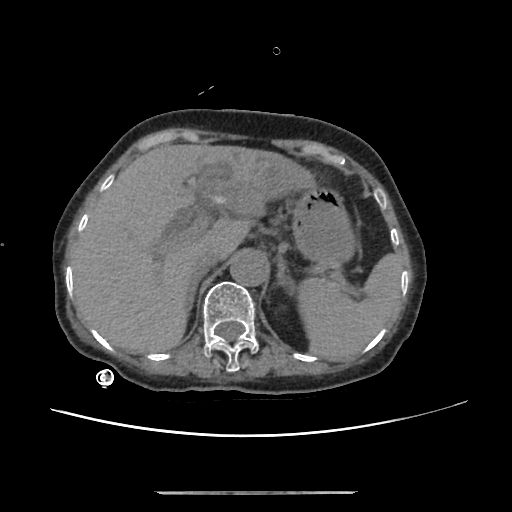
Computed tomography, abdomen. Axial slice 270/353. soft-tissue window. 14 organs annotated in this scan (counted over the whole 3D scan, not this slice; an organ is boxed only where this slice passes through it)
Bounding boxes in pixels, one row per box: x1, y1 is the top-left corner and x2, y2 the bottom-right.
| organ | x1 | y1 | x2 | y2 |
|---|---|---|---|---|
| spleen | 299 | 254 | 401 | 361 |
| liver | 70 | 144 | 316 | 352 |
| stomach | 292 | 186 | 354 | 266 |
| aorta | 230 | 252 | 268 | 286 |
| inferior vena cava | 192 | 249 | 220 | 277 |
| right adrenal gland | 188 | 277 | 200 | 309 |
| left adrenal gland | 277 | 259 | 290 | 291 |